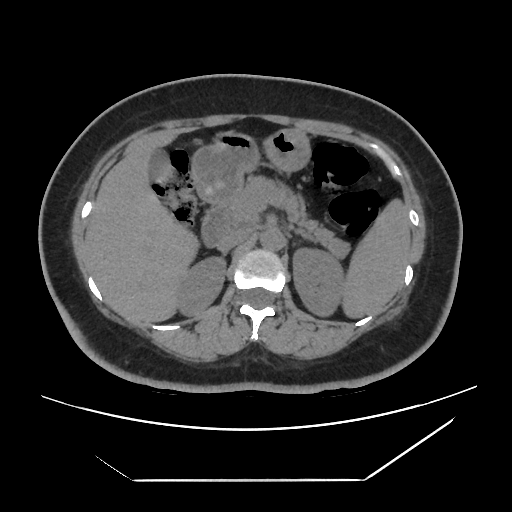 Computed tomography, abdomen · axial view · 512x512 px
Bounding boxes as [x1, y1, x2, y2] in pixel coordinates. Labeled organs on this slice: left kidney at [293, 247, 346, 316], gall bladder at [149, 151, 165, 178], inferior vena cava at [216, 229, 249, 250], pancreas at [224, 178, 349, 256], liver at [85, 135, 196, 321], duodenum at [199, 205, 229, 248], aorta at [260, 228, 283, 249], stomach at [192, 128, 308, 203], left adrenal gland at [299, 231, 313, 239], right kidney at [173, 256, 226, 316], spleen at [344, 201, 409, 317].